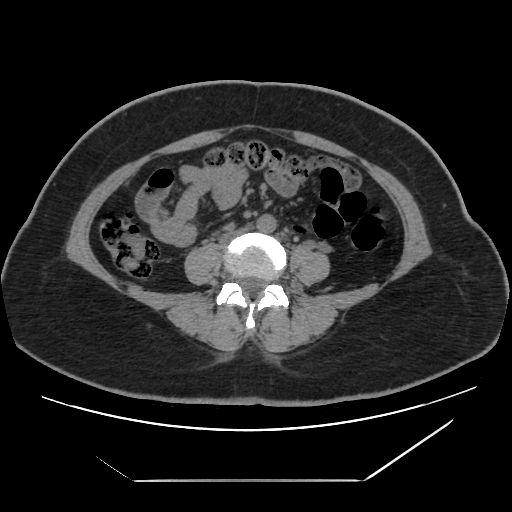 Computed tomography, abdomen. axial view. soft-tissue window
Boxes are (x1, y1, x2, y2) in pixels.
inferior vena cava: (220, 226, 250, 243)
aorta: (257, 214, 276, 233)